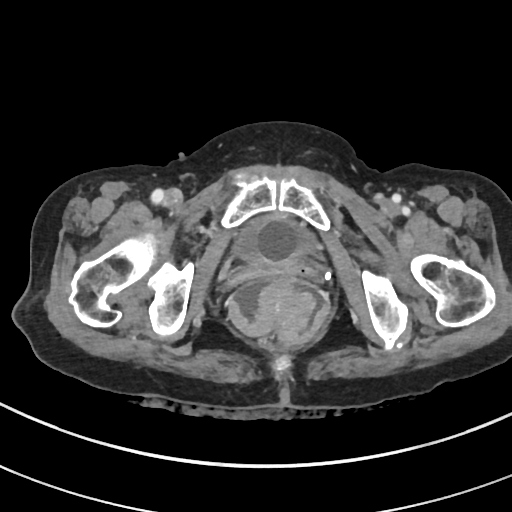

CT abdomen · axial view · scan has 15 labeled organs (that count is for the whole scan; organs this slice misses have no box)
Coordinates as <box>x1,y1,x2,y2</box> in pixels.
bladder: <box>230,215,317,263</box>